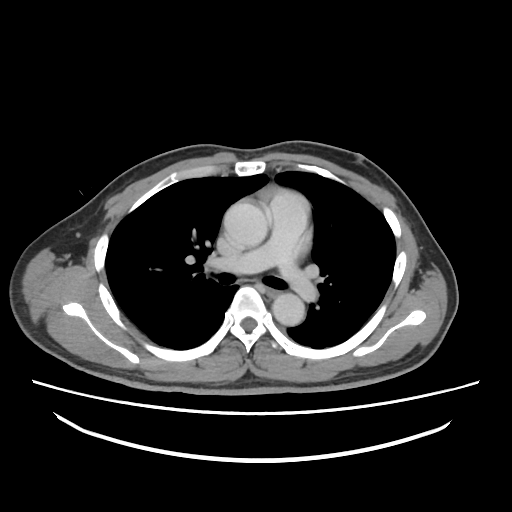 CT of the abdomen extending into the chest, slice through the chest; axial view; soft-tissue window (W 400 / L 40); 512x512 px; 31-year-old male patient
At this level of the chest no structure but the esophagus and the aorta has a label in this dataset, and those two are boxed only where they are labeled.
<organs><organ name="esophagus" x1="267" y1="287" x2="279" y2="296"/><organ name="aorta" x1="223" y1="202" x2="267" y2="248"/><organ name="aorta" x1="272" y1="293" x2="304" y2="326"/></organs>